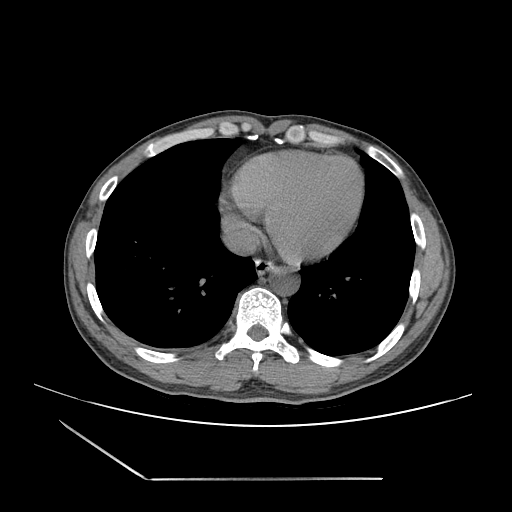 CT of the abdomen reaching into the lower chest, slice just above the liver and spleen; axial plane, index 172; soft-tissue window; 512x512 px
The heart and lungs are never labeled in this dataset, so they have no box on this slice.
Bounding boxes as [x1, y1, x2, y2] in pixel coordinates.
Organ bounding boxes:
- esophagus: [256, 257, 283, 274]
- aorta: [268, 270, 299, 296]
- inferior vena cava: [222, 223, 259, 255]